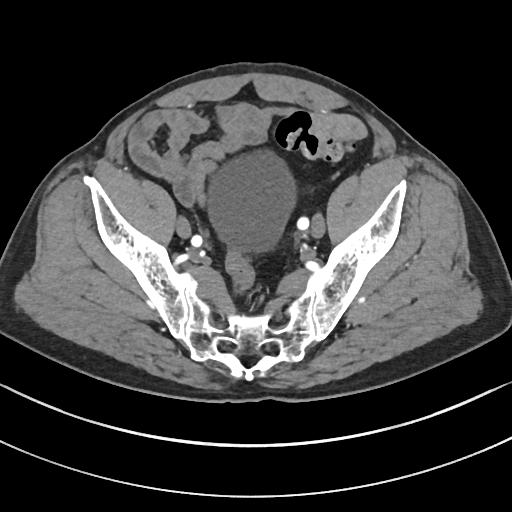
CT abdomen — Axial slice 48/280 — 512x512 px
Each box given as x1,y1,x2,y2.
Organ bounding boxes:
- bladder: x1=207, y1=155, x2=293, y2=250